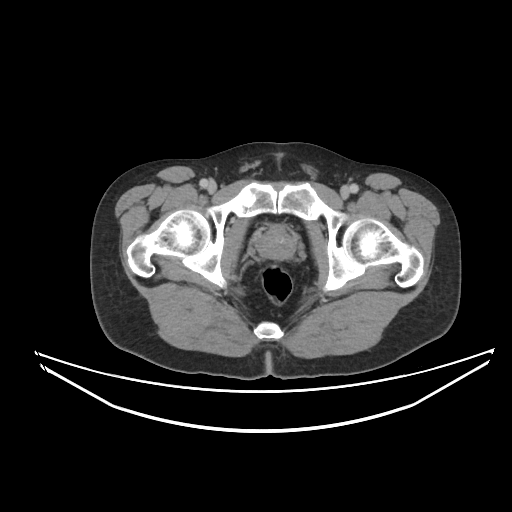

Abdominal CT — Axial slice 11/131
One row per box, in pixels: columns x1 and y1 give the top-left corner, x2 and y2 the bottom-right.
| organ | x1 | y1 | x2 | y2 |
|---|---|---|---|---|
| prostate/uterus | 257 | 227 | 295 | 259 |